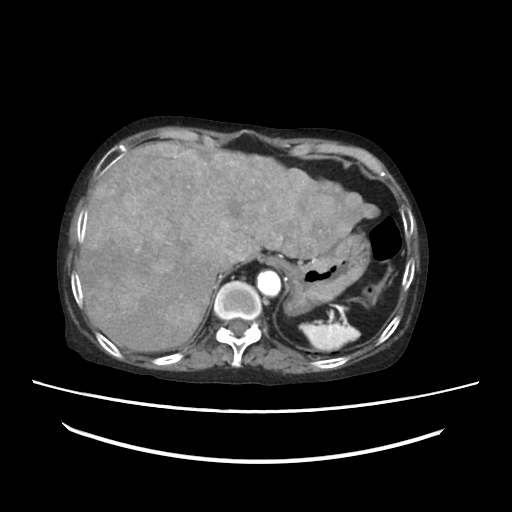
Abdominal CT; Axial slice 75/89; soft-tissue window (W 400 / L 40); 61-year-old female patient; scan has 15 labeled organs (a whole-scan count: organs this slice does not pass through have no box)
Organ boxes in pixel coordinates; each row gives the top-left (x1, y1) and bottom-right (x2, y2) corners.
| organ | x1 | y1 | x2 | y2 |
|---|---|---|---|---|
| spleen | 299 | 323 | 361 | 350 |
| inferior vena cava | 214 | 253 | 238 | 273 |
| liver | 76 | 140 | 378 | 350 |
| aorta | 257 | 271 | 281 | 295 |
| stomach | 257 | 231 | 369 | 316 |